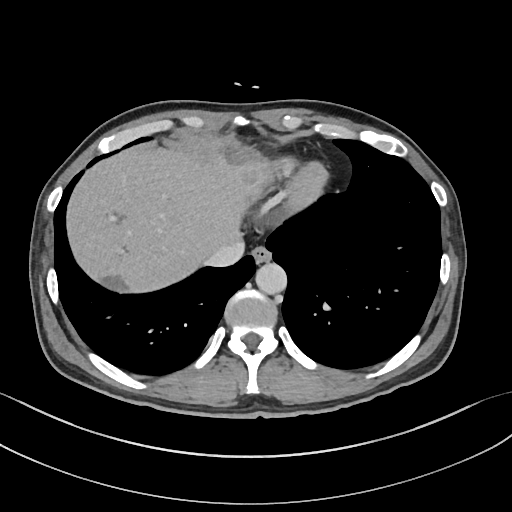 Abdominal CT; axial view; W/L 400/40 HU; 512x512 px
{"organs":{"esophagus":[252,246,271,264],"liver":[67,140,273,294],"aorta":[256,262,287,294],"inferior vena cava":[204,237,245,267]}}